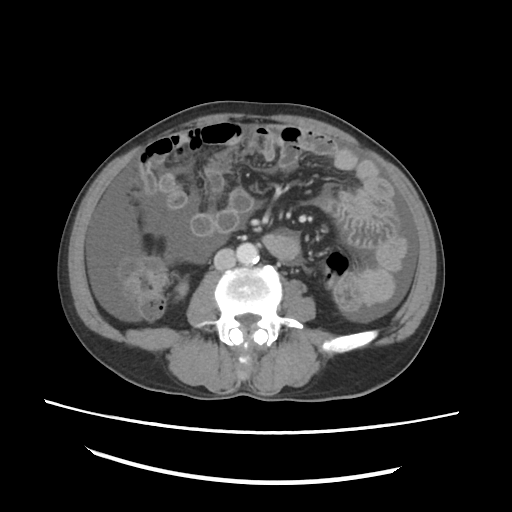

CT, abdomen/pelvis; Axial slice 38/112; W/L 400/40 HU
One row per box, in pixels: columns x1 and y1 give the top-left corner, x2 and y2 the bottom-right.
| organ | x1 | y1 | x2 | y2 |
|---|---|---|---|---|
| right kidney | 179 | 284 | 186 | 293 |
| inferior vena cava | 214 | 248 | 236 | 270 |
| aorta | 236 | 242 | 259 | 264 |